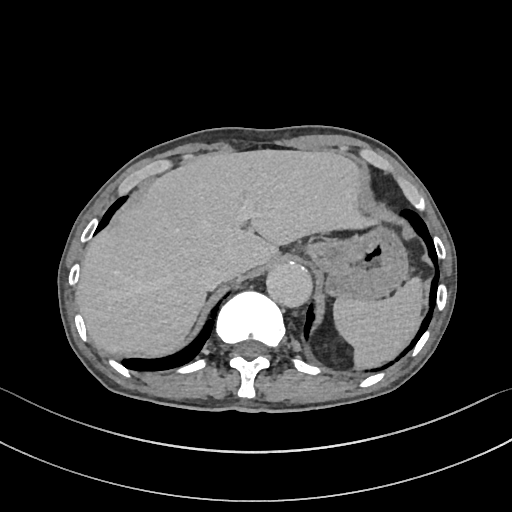 CT, abdomen/pelvis; axial view; 15 organs annotated in this scan (a whole-scan count: organs this slice does not pass through have no box)
{"organs":{"inferior vena cava":[201,256,238,285],"spleen":[333,277,422,368],"liver":[76,149,378,355],"stomach":[306,226,408,300],"aorta":[266,261,312,307]}}